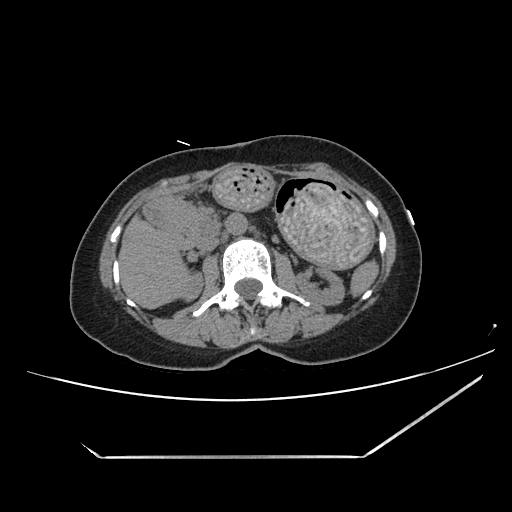

Abdominal CT · axial view
<organs><organ name="pancreas" x1="166" y1="199" x2="215" y2="240"/><organ name="right kidney" x1="184" y1="274" x2="203" y2="299"/><organ name="spleen" x1="350" y1="260" x2="379" y2="297"/><organ name="left kidney" x1="295" y1="269" x2="344" y2="306"/><organ name="duodenum" x1="146" y1="195" x2="197" y2="248"/><organ name="liver" x1="118" y1="213" x2="188" y2="308"/><organ name="aorta" x1="226" y1="214" x2="247" y2="235"/><organ name="stomach" x1="165" y1="165" x2="373" y2="268"/><organ name="inferior vena cava" x1="197" y1="233" x2="218" y2="252"/></organs>